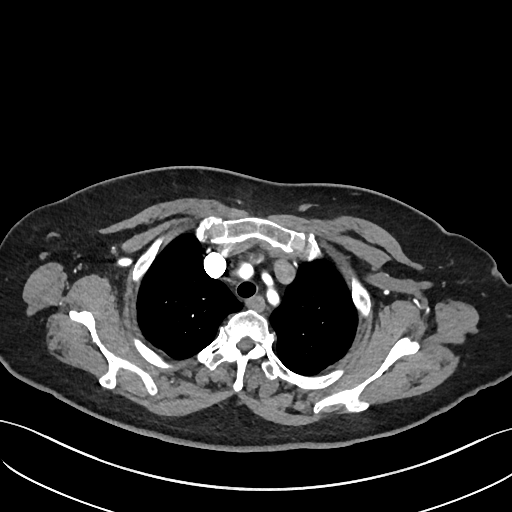 Chest-level CT slice, above the liver and spleen. axial view. W/L 400/40 HU
At this level of the chest no structure but the esophagus and the aorta has a label in this dataset, and those two are boxed only where they are labeled.
Bounding boxes in pixels, one row per box: x1, y1 is the top-left corner and x2, y2 the bottom-right.
| organ | x1 | y1 | x2 | y2 |
|---|---|---|---|---|
| esophagus | 246 | 296 | 265 | 310 |